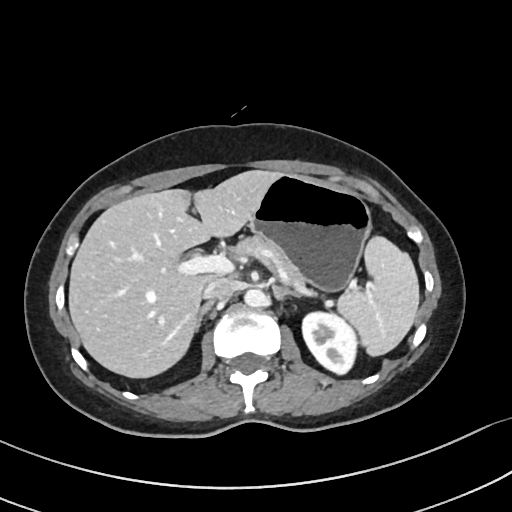

CT, abdomen/pelvis; axial view; soft-tissue window; 512x512 px; acquired on SOMATOM Force
<organs><organ name="spleen" x1="337" y1="235" x2="419" y2="356"/><organ name="left kidney" x1="302" y1="312" x2="357" y2="374"/><organ name="liver" x1="68" y1="170" x2="279" y2="378"/><organ name="stomach" x1="249" y1="174" x2="371" y2="291"/><organ name="aorta" x1="244" y1="289" x2="266" y2="307"/><organ name="inferior vena cava" x1="203" y1="277" x2="234" y2="301"/><organ name="pancreas" x1="233" y1="235" x2="304" y2="285"/><organ name="right adrenal gland" x1="194" y1="302" x2="212" y2="332"/><organ name="left adrenal gland" x1="271" y1="284" x2="300" y2="300"/></organs>